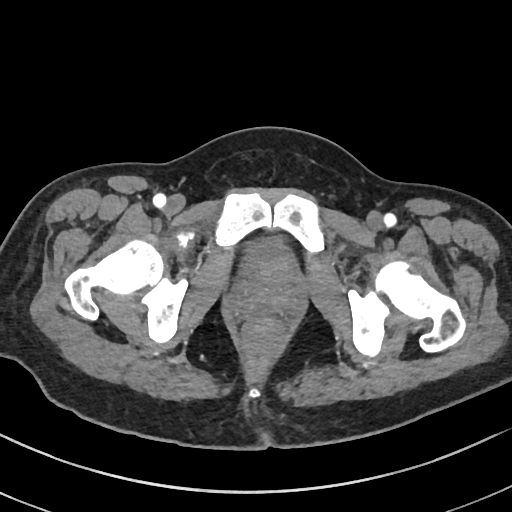

Computed tomography, abdomen · axial view
{"organs":{"bladder":[239,240,301,275]}}